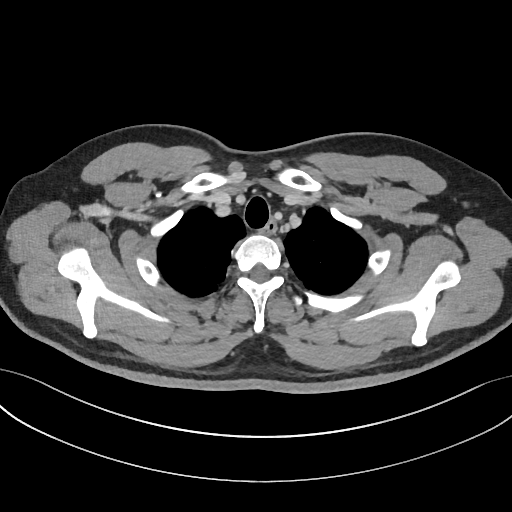 Chest-level slice from an abdominal CT that extends up into the chest; axial plane, index 329
On a slice this high in the chest, this dataset labels only the esophagus and the aorta, and each is boxed only where it is labeled; the heart, lungs and other chest structures are not labeled.
Bounding boxes as [x1, y1, x2, y2] in pixel coordinates.
esophagus: [265, 223, 276, 235]